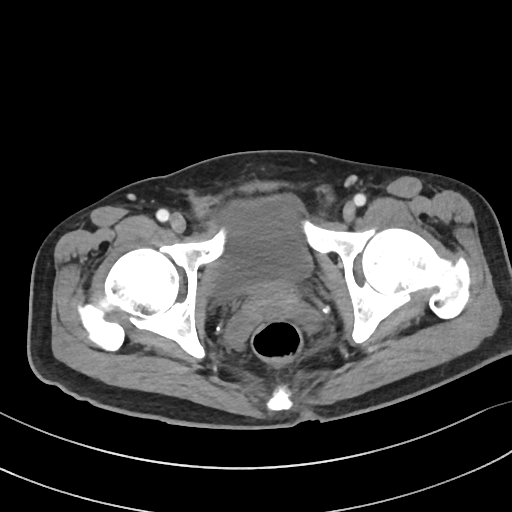

CT, abdomen/pelvis — Axial slice 12/128 — abdomen soft-tissue window — acquired on SOMATOM Force — scan has 15 labeled organs (counted over the whole 3D scan, not this slice; an organ is boxed only where this slice passes through it)
Boxes are (x1, y1, x2, y2) in pixels.
bladder: (211, 195, 312, 301)
prostate/uterus: (249, 282, 298, 315)